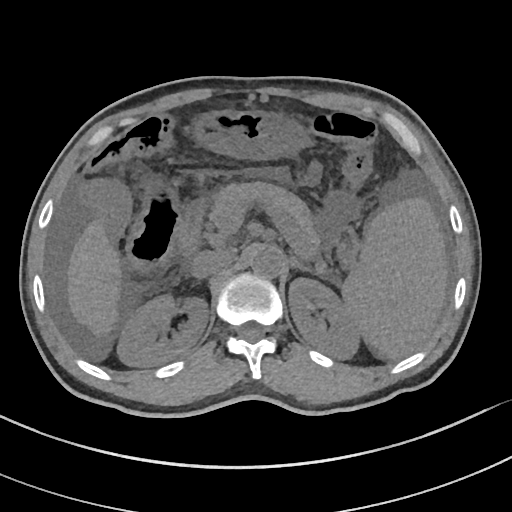

Abdominal CT; axial view; soft-tissue window (W 400 / L 40); 15 organs annotated in this scan (that count is for the whole scan; organs this slice misses have no box)
{"organs":{"spleen":[342,198,447,359],"right kidney":[116,293,208,366],"left kidney":[288,277,361,359],"liver":[68,223,120,334],"stomach":[193,111,308,157],"aorta":[250,246,283,277],"inferior vena cava":[191,249,235,278],"pancreas":[207,182,321,249],"left adrenal gland":[291,256,313,273],"duodenum":[173,204,204,257]}}